CT abdomen. axial view. 512x512 px. scan has 15 labeled organs (counted over the whole 3D scan, not this slice; an organ is boxed only where this slice passes through it)
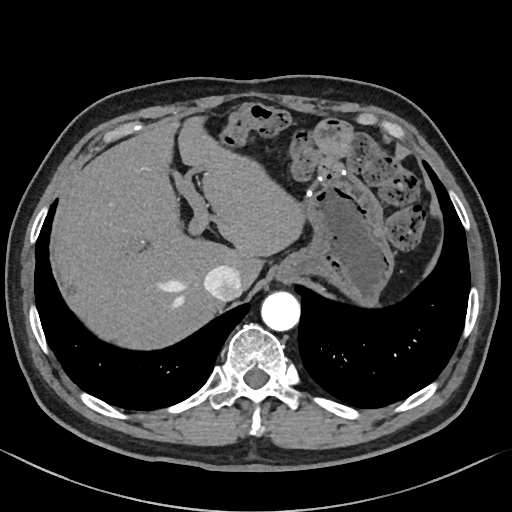 <organs><organ name="esophagus" x1="274" y1="263" x2="292" y2="281"/><organ name="aorta" x1="261" y1="292" x2="300" y2="331"/><organ name="stomach" x1="281" y1="166" x2="393" y2="306"/><organ name="liver" x1="54" y1="116" x2="306" y2="349"/><organ name="inferior vena cava" x1="203" y1="264" x2="242" y2="300"/></organs>